CT abdomen — axial plane, index 23 — soft-tissue window — acquired on Brilliance16
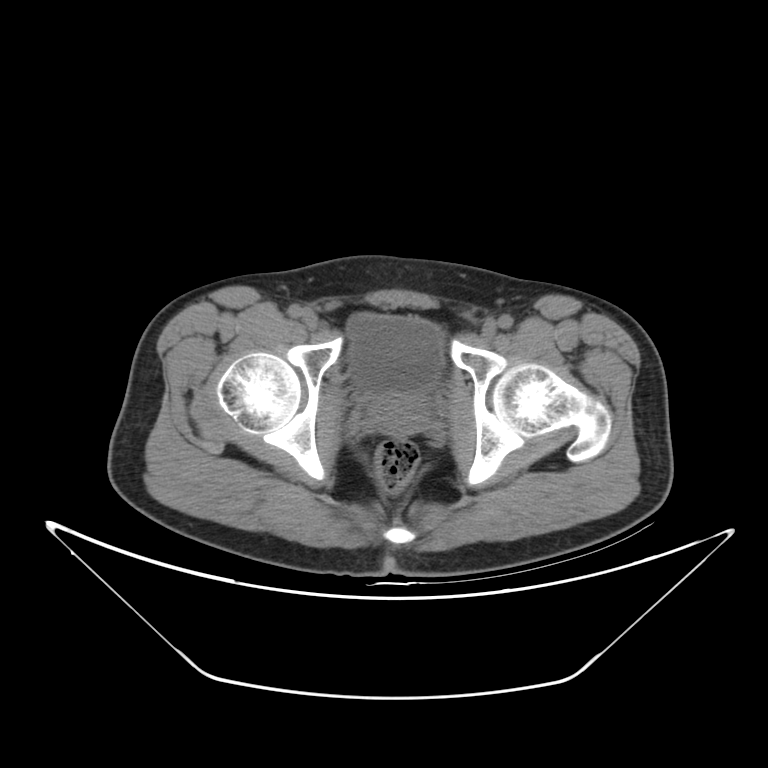

Each box given as x1,y1,x2,y2.
Organ bounding boxes:
- prostate/uterus: x1=372, y1=395, x2=422, y2=433
- bladder: x1=347, y1=314, x2=444, y2=397